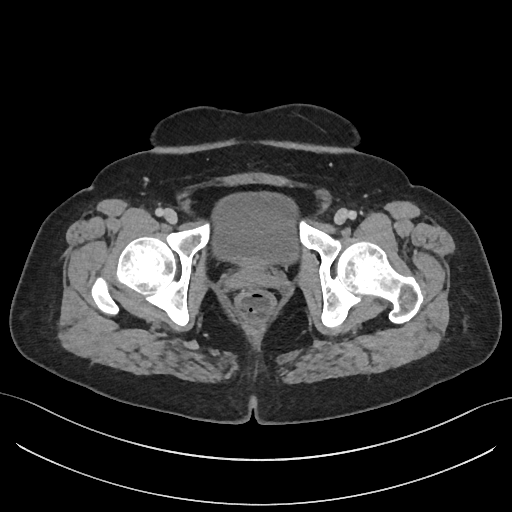 Abdominal CT. Axial slice 29/305. abdomen soft-tissue window. acquired on SOMATOM Force. 15 organs annotated in this scan (that count is for the whole scan; organs this slice misses have no box)
One row per box, in pixels: columns x1 and y1 give the top-left corner, x2 and y2 the bottom-right.
| organ | x1 | y1 | x2 | y2 |
|---|---|---|---|---|
| bladder | 212 | 192 | 297 | 265 |